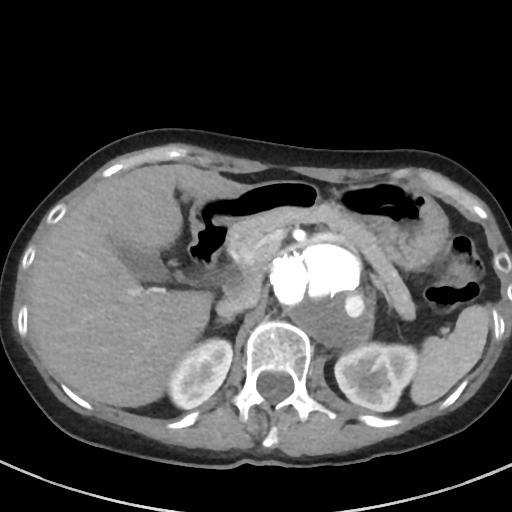

Computed tomography, abdomen. axial view. 512x512 px
<organs><organ name="spleen" x1="410" y1="305" x2="490" y2="405"/><organ name="right kidney" x1="168" y1="338" x2="232" y2="408"/><organ name="left kidney" x1="335" y1="343" x2="418" y2="411"/><organ name="gall bladder" x1="117" y1="246" x2="169" y2="282"/><organ name="liver" x1="28" y1="164" x2="247" y2="407"/><organ name="stomach" x1="190" y1="180" x2="448" y2="270"/><organ name="aorta" x1="268" y1="243" x2="374" y2="347"/><organ name="inferior vena cava" x1="216" y1="276" x2="259" y2="316"/><organ name="pancreas" x1="227" y1="203" x2="415" y2="320"/><organ name="right adrenal gland" x1="216" y1="316" x2="233" y2="323"/><organ name="left adrenal gland" x1="371" y1="275" x2="392" y2="307"/><organ name="duodenum" x1="188" y1="223" x2="230" y2="273"/></organs>